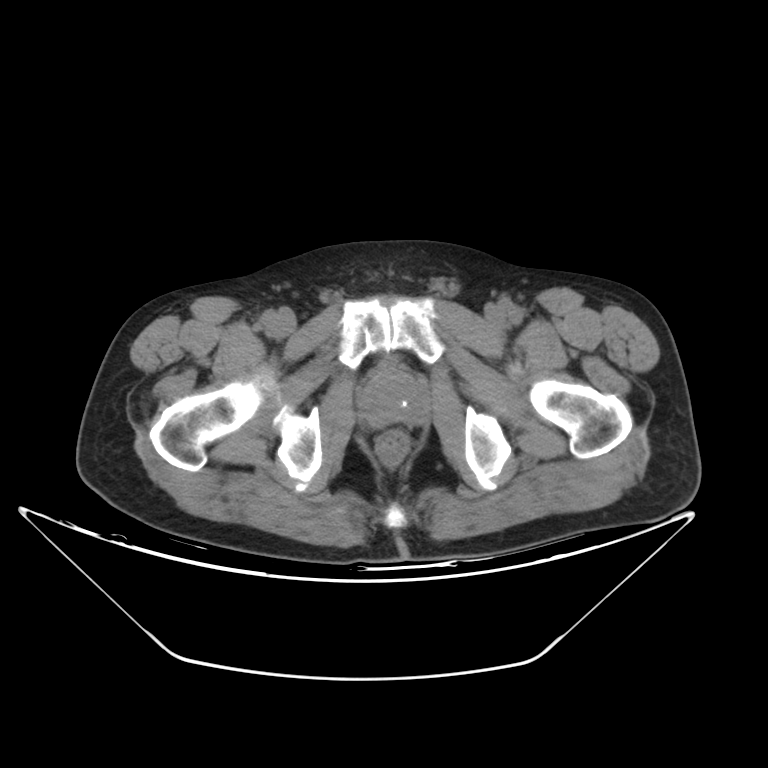 CT abdomen; Axial slice 20/101; abdomen soft-tissue window; 768x768 px; 15 organs annotated in this scan (a whole-scan count: organs this slice does not pass through have no box)
Boxes: x1:y1:x2:y2 in pixels.
prostate/uterus: 363:367:423:427